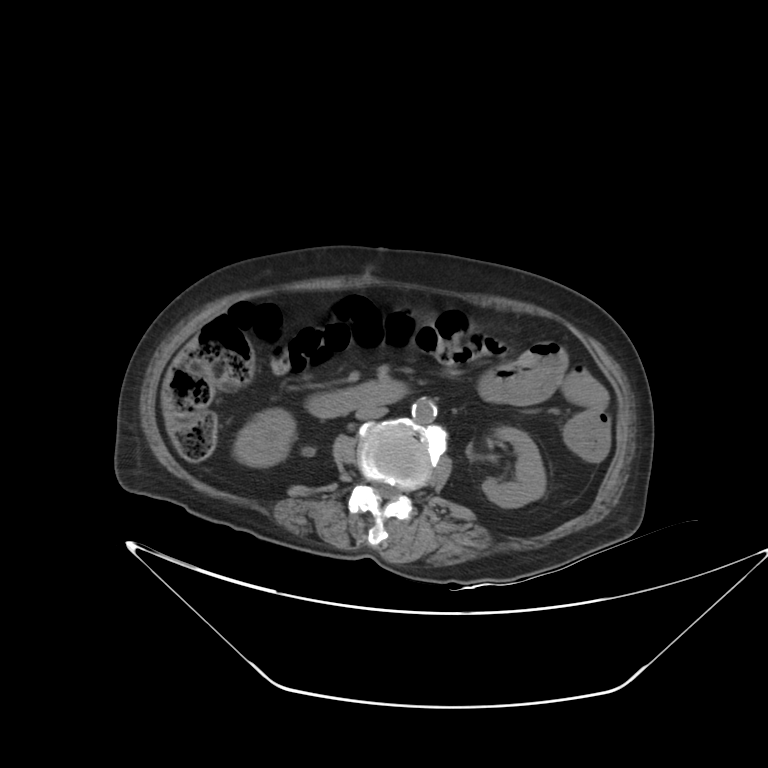 Computed tomography, abdomen · Axial slice 60/105 · W/L 400/40 HU · scan has 15 labeled organs (counted over the whole 3D scan, not this slice; an organ is boxed only where this slice passes through it)
Boxes are (x1, y1, x2, y2) in pixels.
right kidney: (234, 408, 295, 466)
left kidney: (482, 427, 545, 507)
aorta: (412, 398, 437, 423)
inferior vena cava: (355, 406, 388, 419)
duodenum: (307, 381, 407, 415)